Abdominal CT. Axial slice 135/314. soft-tissue window (W 400 / L 40). 14 organs annotated in this scan (counted over the whole 3D scan, not this slice; an organ is boxed only where this slice passes through it)
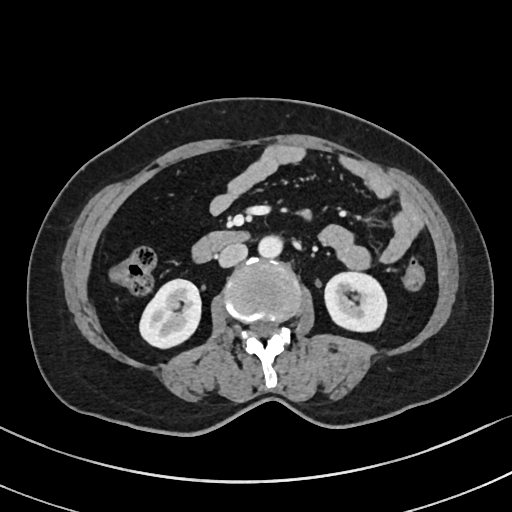

Boxes: x1 y1 x2 y2 (pixel coords, space-separated).
right kidney: 141 279 200 346
left kidney: 325 272 386 329
aorta: 259 235 284 257
inferior vena cava: 219 243 247 266
duodenum: 193 231 248 261